CT of the abdomen reaching into the lower chest, slice just above the liver and spleen — axial view — 512x512 px — 46-year-old male patient
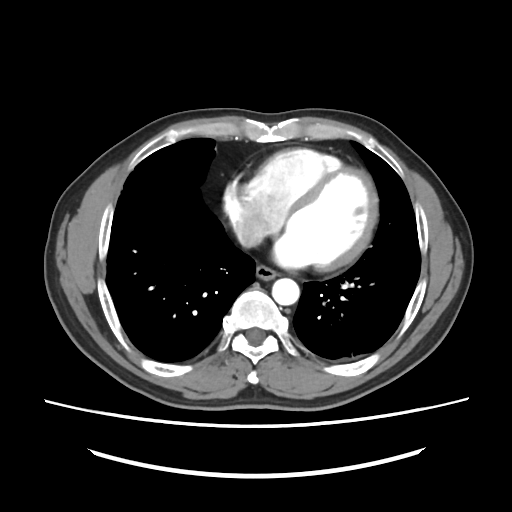
The heart and lungs are never labeled in this dataset, so they have no box on this slice.
One row per box, in pixels: columns x1 and y1 give the top-left corner, x2 and y2 the bottom-right.
| organ | x1 | y1 | x2 | y2 |
|---|---|---|---|---|
| esophagus | 256 | 265 | 277 | 280 |
| aorta | 272 | 278 | 299 | 305 |
| inferior vena cava | 236 | 225 | 261 | 247 |